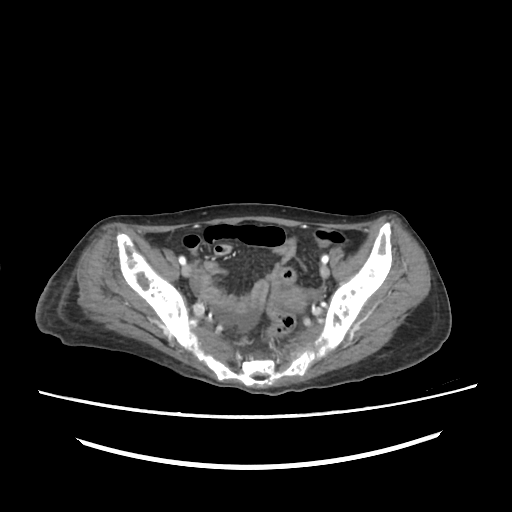 CT, abdomen/pelvis — axial view — W/L 400/40 HU — 512x512 px — 48-year-old female patient
{"organs":{"prostate/uterus":[280,287,308,311]}}